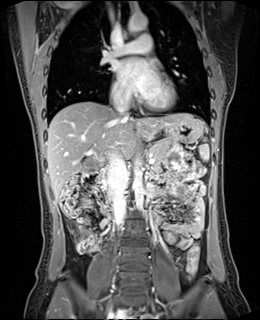

Magnetic resonance imaging, abdomen · Coronal slice 73/144 · 1st–99th percentile window · 260x320 px · Prisma scanner
<organs><organ name="pancreas" x1="150" y1="141" x2="169" y2="161"/><organ name="spleen" x1="199" y1="143" x2="209" y2="160"/><organ name="liver" x1="46" y1="101" x2="202" y2="198"/><organ name="duodenum" x1="92" y1="168" x2="108" y2="195"/><organ name="aorta" x1="133" y1="161" x2="143" y2="210"/><organ name="aorta" x1="127" y1="15" x2="147" y2="35"/><organ name="inferior vena cava" x1="107" y1="148" x2="128" y2="226"/><organ name="inferior vena cava" x1="113" y1="96" x2="129" y2="117"/><organ name="esophagus" x1="139" y1="125" x2="147" y2="134"/><organ name="stomach" x1="146" y1="118" x2="202" y2="143"/></organs>